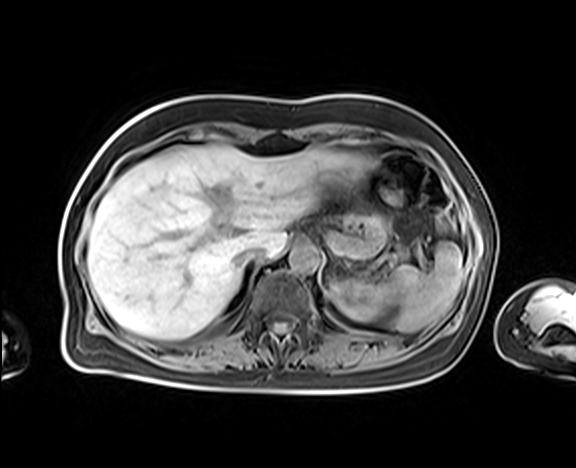 Abdominal MRI · axial view · scan has 12 labeled organs (that count is for the whole scan; organs this slice misses have no box)
Boxes are (x1, y1, x2, y2) in pixels. 6 labeled organs on this slice — spleen at (388, 242, 463, 331); left kidney at (331, 279, 391, 321); liver at (87, 144, 374, 339); stomach at (318, 203, 388, 257); aorta at (289, 243, 319, 272); inferior vena cava at (235, 245, 264, 268).